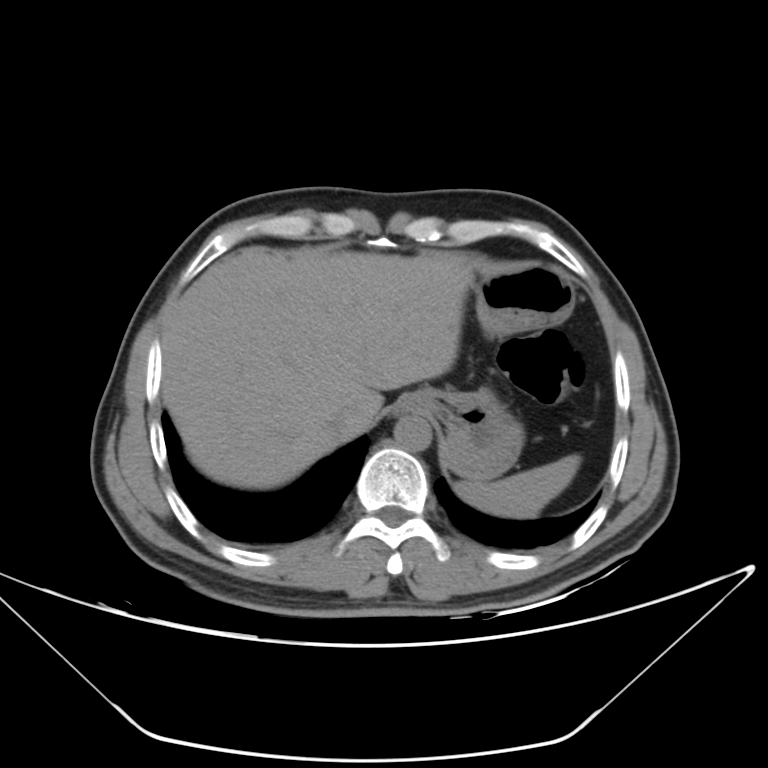

CT abdomen — axial plane, index 85 — abdomen soft-tissue window — 768x768 px — 50-year-old male patient — Brilliance16 scanner
Bounding boxes in pixels, one row per box: x1, y1 is the top-left corner and x2, y2 the bottom-right.
| organ | x1 | y1 | x2 | y2 |
|---|---|---|---|---|
| spleen | 455 | 454 | 580 | 518 |
| esophagus | 402 | 395 | 416 | 410 |
| liver | 162 | 246 | 475 | 489 |
| stomach | 399 | 265 | 575 | 480 |
| aorta | 394 | 414 | 431 | 451 |
| inferior vena cava | 324 | 405 | 357 | 436 |